CT abdomen; axial view; 15 organs annotated in this scan (counted over the whole 3D scan, not this slice; an organ is boxed only where this slice passes through it)
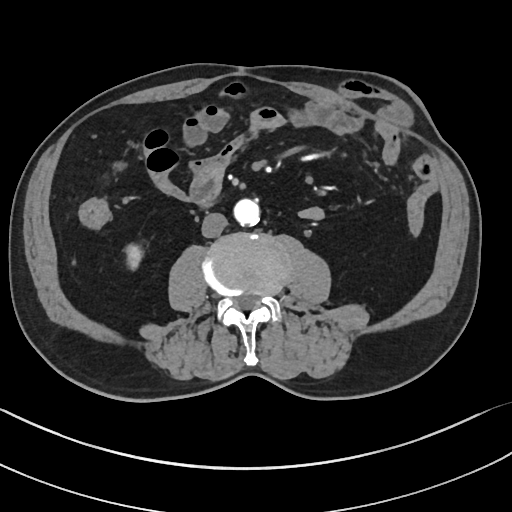
Bounding boxes as [x1, y1, x2, y2] in pixel coordinates.
right kidney: [125, 244, 142, 270]
aorta: [233, 199, 260, 225]
inferior vena cava: [201, 213, 227, 237]